Abdominal MR — Coronal slice 55/144
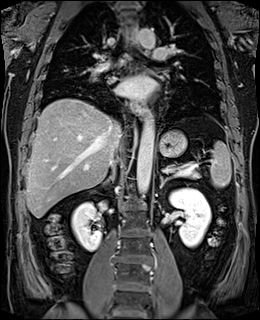

Boxes: x1:y1:x2:y2 in pixels.
pancreas: 166:165:199:178
right kidney: 71:202:102:251
esophagus: 133:100:146:115
esophagus: 129:29:135:40
aorta: 136:113:154:195
aorta: 138:28:156:48
left kidney: 169:188:211:247
spleen: 210:141:231:187
left adrenal gland: 160:175:169:189
right adrenal gland: 102:167:115:185
inferior vena cava: 111:121:121:167
stomach: 158:130:187:157
liver: 26:98:121:218